CT, abdomen/pelvis. axial plane, index 65. W/L 400/40 HU. 40-year-old male patient. 15 organs annotated in this scan (that count is for the whole scan; organs this slice misses have no box)
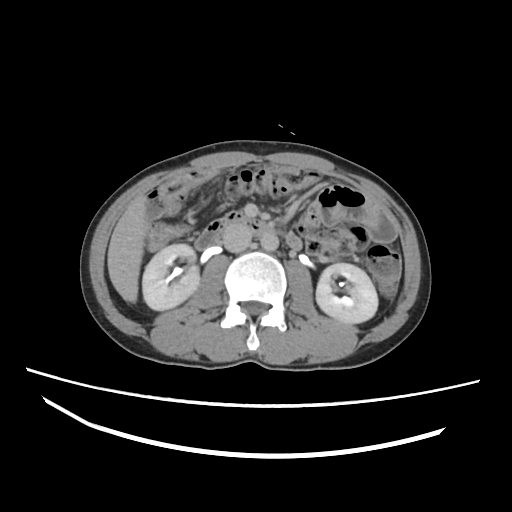 <organs><organ name="right kidney" x1="141" y1="244" x2="199" y2="310"/><organ name="left kidney" x1="316" y1="263" x2="378" y2="323"/><organ name="liver" x1="107" y1="192" x2="149" y2="302"/><organ name="aorta" x1="260" y1="232" x2="279" y2="251"/><organ name="inferior vena cava" x1="222" y1="225" x2="252" y2="251"/><organ name="duodenum" x1="194" y1="212" x2="304" y2="251"/></organs>